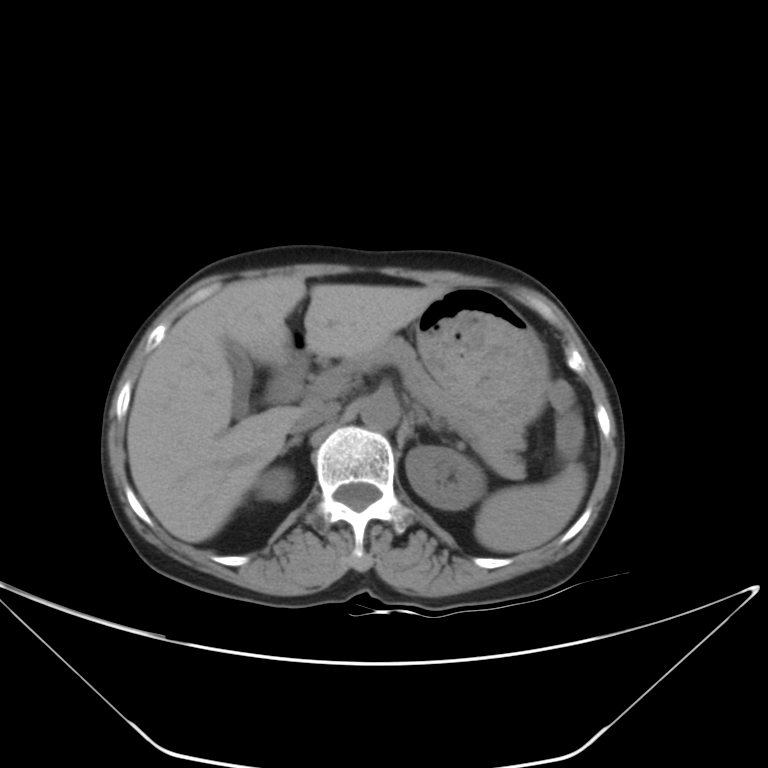
Abdominal CT — Axial slice 64/85 — soft-tissue window
Boxes are (x1, y1, x2, y2) in pixels.
Organ bounding boxes:
- inferior vena cava: (290, 404, 337, 432)
- left adrenal gland: (412, 406, 438, 429)
- stomach: (414, 289, 548, 427)
- right adrenal gland: (280, 433, 302, 454)
- gall bladder: (224, 340, 293, 416)
- left kidney: (405, 446, 486, 509)
- liver: (127, 275, 448, 543)
- spleen: (475, 463, 586, 553)
- right kidney: (260, 470, 287, 500)
- aorta: (360, 393, 398, 430)
- pancreas: (347, 337, 525, 478)
- duodenum: (270, 356, 302, 400)